CT abdomen. Axial slice 31/218
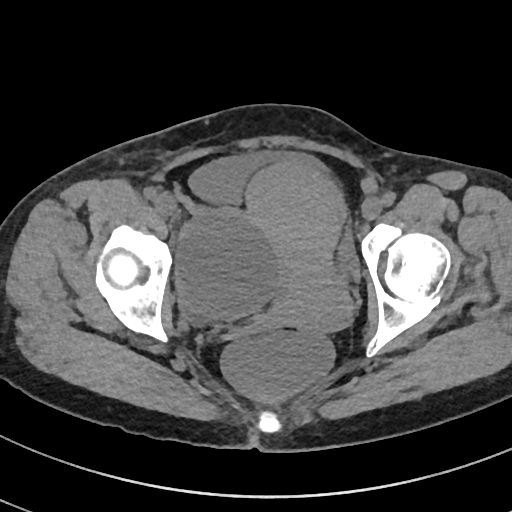 {"organs":{"bladder":[189,150,360,279],"prostate/uterus":[246,162,352,332]}}